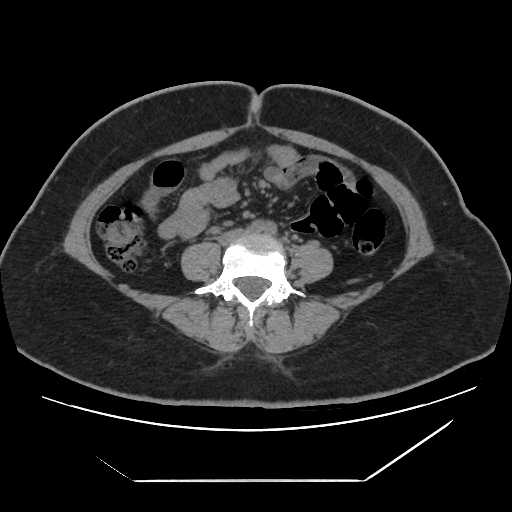 Computed tomography, abdomen. axial view. W/L 400/40 HU. 512x512 px
{"organs":{"inferior vena cava":[221,229,246,242]}}